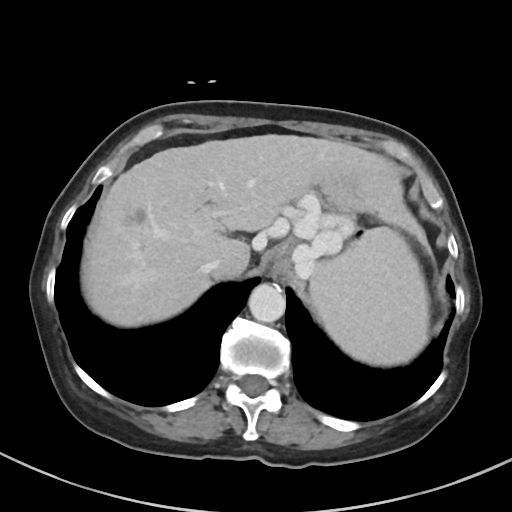

CT, abdomen/pelvis. axial view. scan has 15 labeled organs (a whole-scan count: organs this slice does not pass through have no box)
Each box given as x1,y1,x2,y2.
spleen: x1=309, y1=229, x2=428, y2=365
esophagus: x1=269, y1=260, x2=285, y2=278
liver: x1=81, y1=134, x2=433, y2=326
stomach: x1=272, y1=235, x2=362, y2=263
aorta: x1=248, y1=283, x2=285, y2=322
inferior vena cava: x1=200, y1=256, x2=223, y2=276